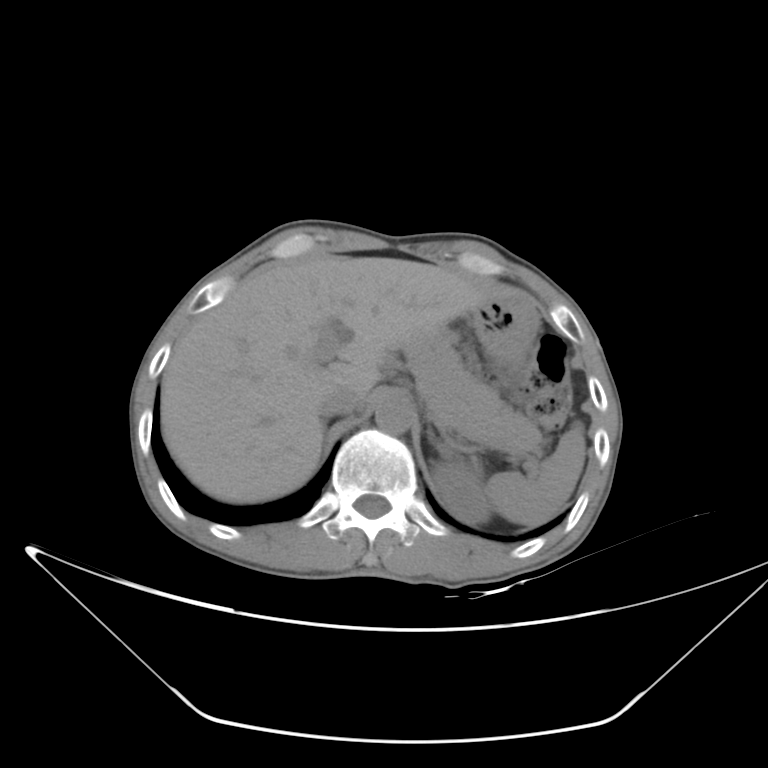
Computed tomography, abdomen; Axial slice 78/81
{"organs":{"spleen":[487,422,585,525],"left kidney":[432,463,492,522],"liver":[161,255,503,502],"stomach":[468,288,539,371],"aorta":[375,395,413,434],"inferior vena cava":[318,388,361,417],"pancreas":[403,331,541,453],"left adrenal gland":[428,429,436,444]}}